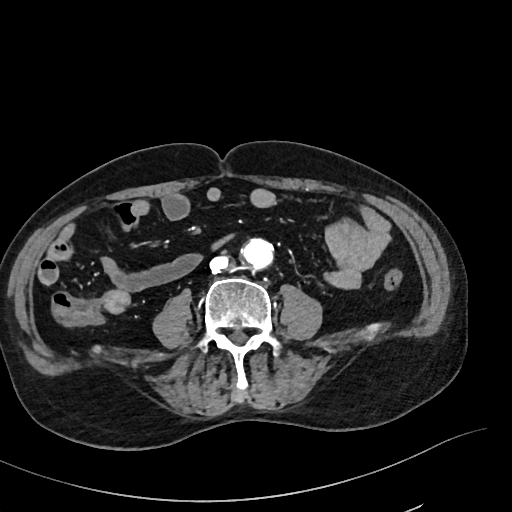
Abdominal CT. Axial slice 106/235. 15 organs annotated in this scan (counted over the whole 3D scan, not this slice; an organ is boxed only where this slice passes through it)
<organs><organ name="aorta" x1="241" y1="238" x2="274" y2="270"/><organ name="inferior vena cava" x1="209" y1="254" x2="230" y2="272"/></organs>